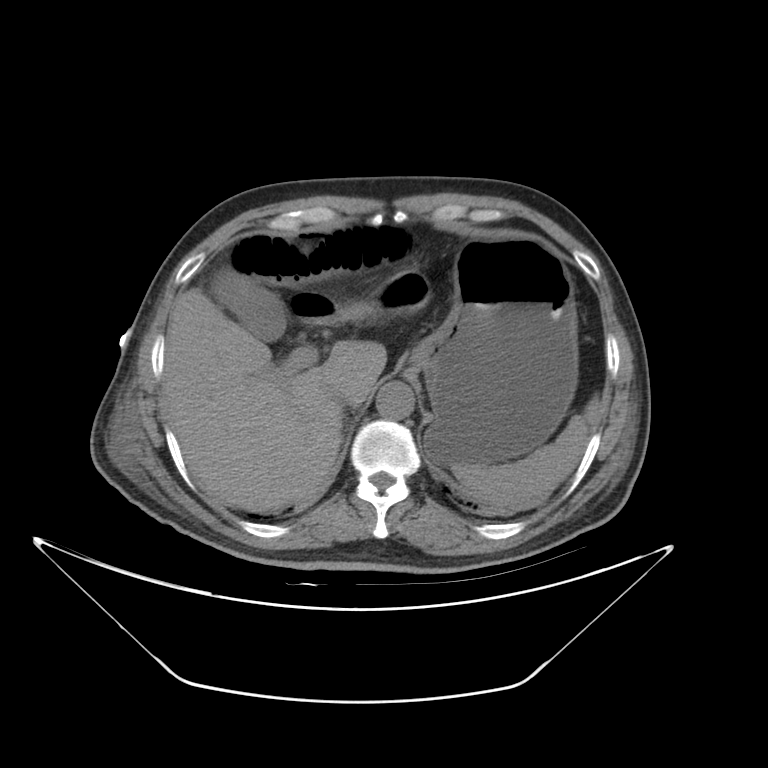
Abdominal CT. axial plane, index 79. 768x768 px
{"organs":{"stomach":[345,233,579,468],"liver":[164,287,385,512],"aorta":[375,379,415,420],"spleen":[451,396,598,512],"gall bladder":[215,268,286,341],"duodenum":[290,292,346,324],"inferior vena cava":[325,386,353,408]}}